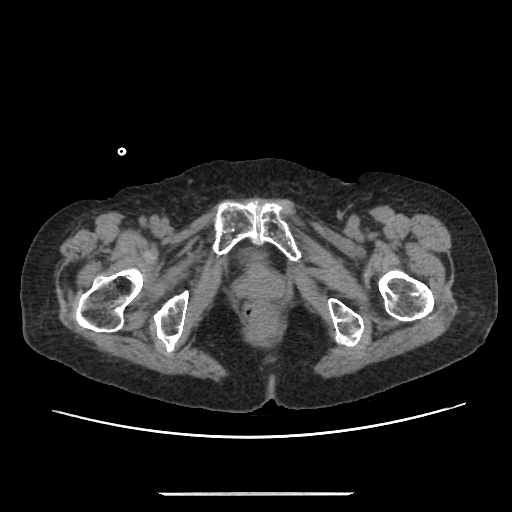 CT abdomen · axial view
Organ boxes in pixel coordinates; each row gives the top-left (x1, y1) and bottom-right (x2, y2) corners.
| organ | x1 | y1 | x2 | y2 |
|---|---|---|---|---|
| bladder | 245 | 250 | 261 | 261 |